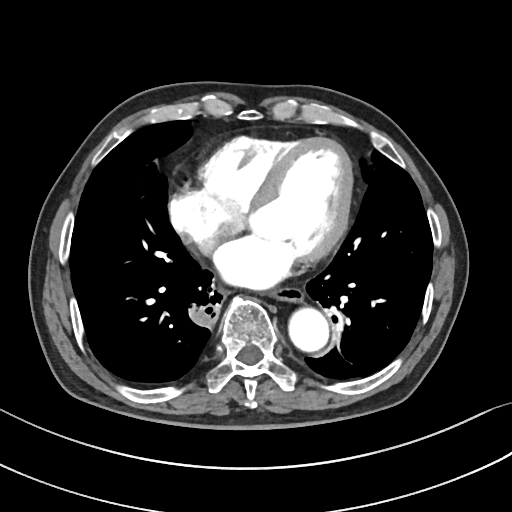
Lower-chest slice from an abdominal CT, just above the liver and spleen; axial view; acquired on SOMATOM Force
The heart and lungs are never labeled in this dataset, so they have no box on this slice.
{"organs":{"aorta":[288,306,328,350],"esophagus":[272,286,302,301],"inferior vena cava":[201,238,218,251]}}